CT abdomen. axial view. soft-tissue window. 512x512 px. SOMATOM Force scanner
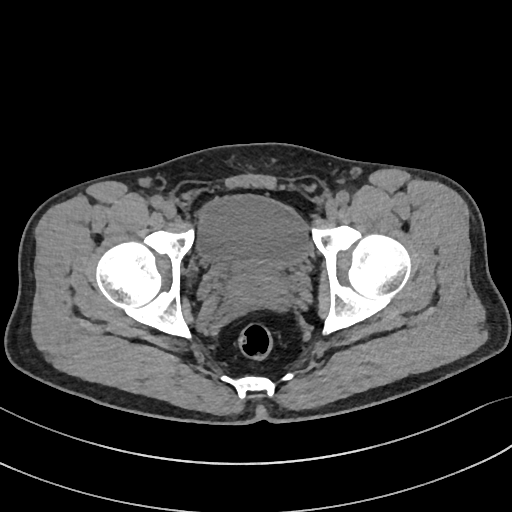
Boxes are (x1, y1, x2, y2) in pixels. The annotated organs in this slice are: prostate/uterus at (228, 265, 286, 305), bladder at (198, 195, 308, 267).